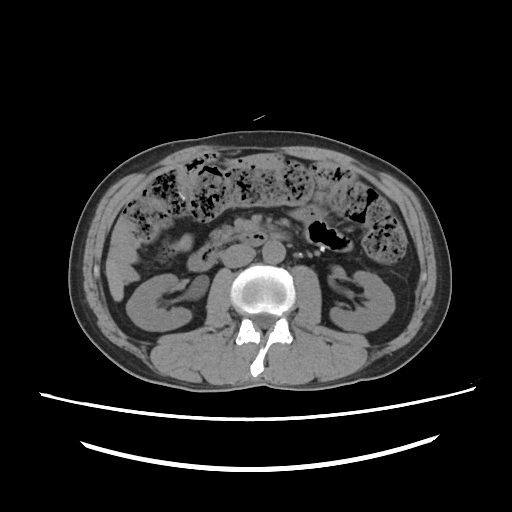 Computed tomography, abdomen; Axial slice 58/87; soft-tissue window
Coordinates as <box>x1,y1,x2,y2</box> in pixels.
Organ bounding boxes:
- right kidney: <box>126,274,191,331</box>
- left kidney: <box>329,269,394,331</box>
- liver: <box>107,257,123,300</box>
- aorta: <box>260,239,284,262</box>
- inferior vena cava: <box>222,245,254,268</box>
- pancreas: <box>207,226,245,242</box>
- duodenum: <box>188,232,266,270</box>